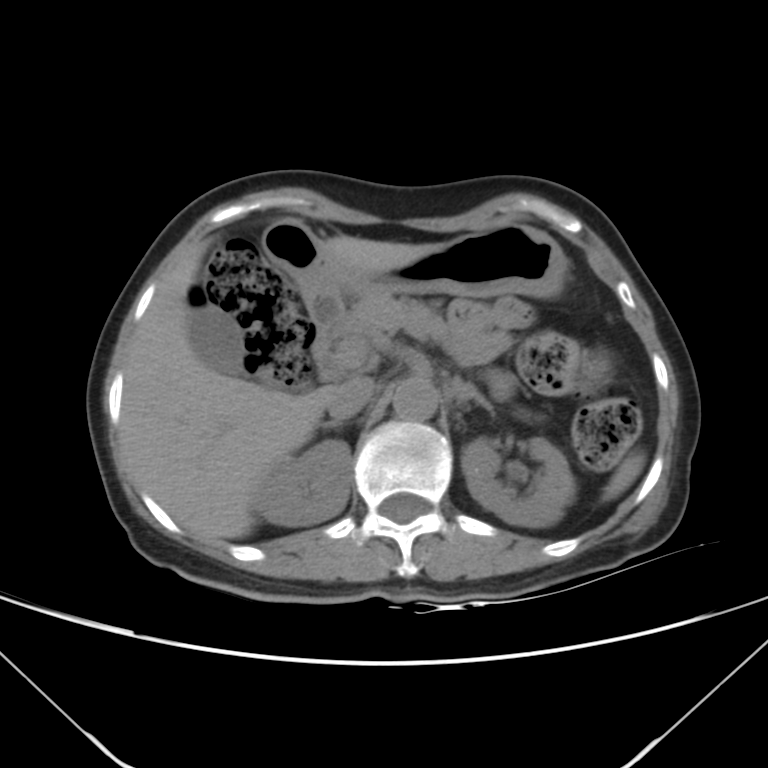

CT, abdomen/pelvis — axial view — 768x768 px — acquired on Brilliance16
<organs><organ name="spleen" x1="602" y1="452" x2="645" y2="500"/><organ name="right kidney" x1="253" y1="440" x2="352" y2="526"/><organ name="left kidney" x1="461" y1="436" x2="575" y2="526"/><organ name="gall bladder" x1="189" y1="307" x2="245" y2="374"/><organ name="liver" x1="120" y1="234" x2="437" y2="540"/><organ name="stomach" x1="262" y1="220" x2="568" y2="318"/><organ name="aorta" x1="393" y1="377" x2="437" y2="420"/><organ name="inferior vena cava" x1="328" y1="375" x2="374" y2="420"/><organ name="pancreas" x1="333" y1="295" x2="449" y2="343"/><organ name="right adrenal gland" x1="323" y1="421" x2="343" y2="430"/><organ name="left adrenal gland" x1="450" y1="379" x2="493" y2="413"/><organ name="duodenum" x1="311" y1="316" x2="336" y2="380"/></organs>